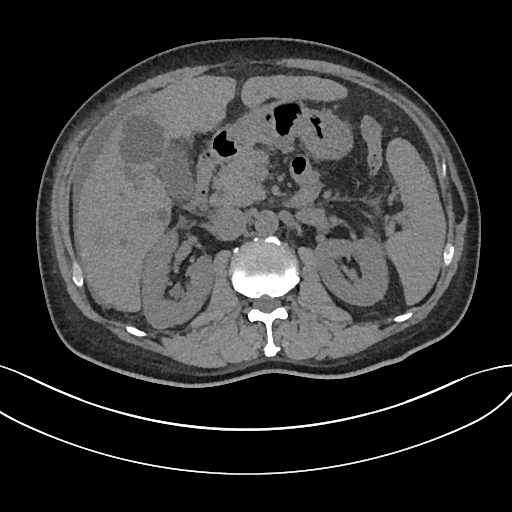 CT, abdomen/pelvis. axial plane, index 136. 512x512 px
Boxes: x1:y1:x2:y2 in pixels.
stomach: 227:100:353:159
spleen: 384:138:446:304
inferior vena cava: 211:206:248:240
aorta: 255:211:278:235
duodenum: 185:127:318:211
gall bladder: 159:145:194:200
pancreas: 211:149:268:205
left kidney: 315:234:387:305
liver: 74:75:347:312
right kidney: 142:228:213:328